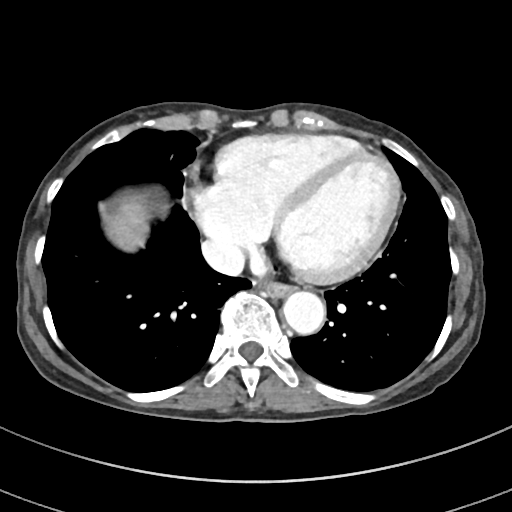

Computed tomography, abdomen — Axial slice 180/198 — abdomen soft-tissue window — SOMATOM Force scanner
Each box given as x1,y1,x2,y2.
esophagus: x1=261, y1=280, x2=294, y2=297
liver: x1=106, y1=195, x2=148, y2=250
aorta: x1=282, y1=291, x2=325, y2=334
inferior vena cava: x1=201, y1=239, x2=244, y2=275